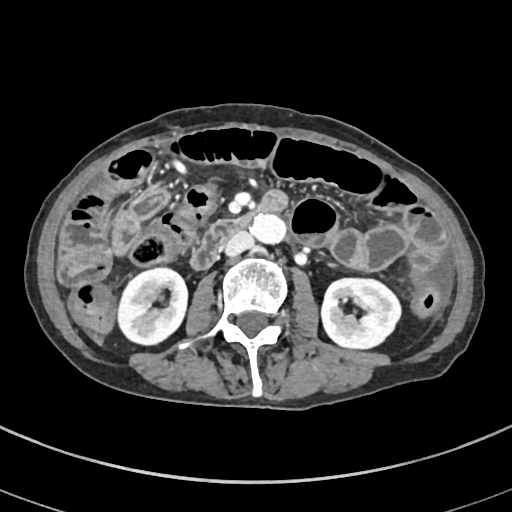

CT, abdomen/pelvis · axial view · W/L 400/40 HU
One row per box, in pixels: columns x1 and y1 give the top-left corner, x2 and y2 the bottom-right.
| organ | x1 | y1 | x2 | y2 |
|---|---|---|---|---|
| right kidney | 116 | 267 | 187 | 346 |
| left kidney | 321 | 278 | 401 | 350 |
| aorta | 249 | 214 | 287 | 244 |
| inferior vena cava | 220 | 231 | 252 | 258 |
| duodenum | 188 | 191 | 286 | 269 |